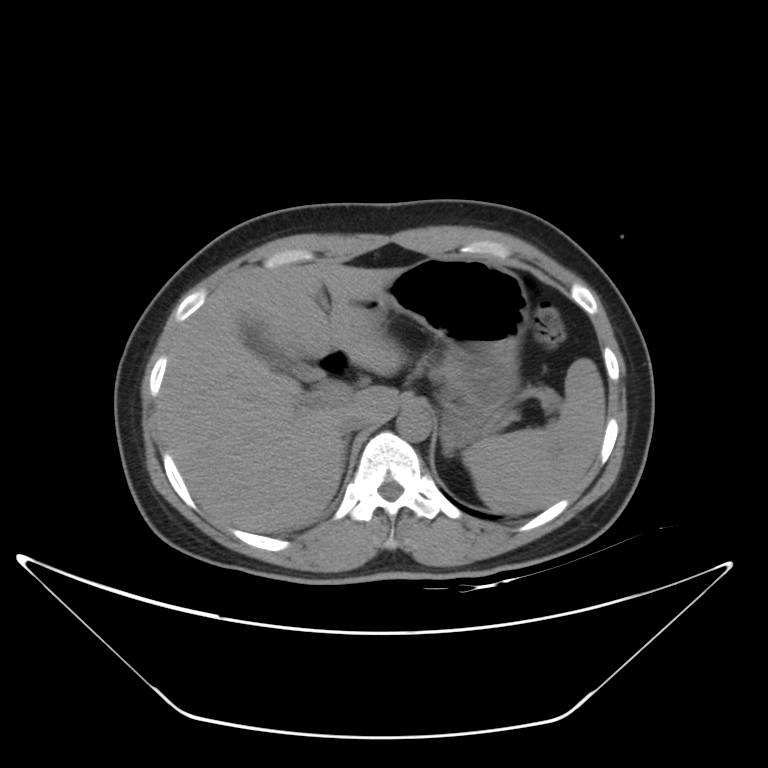

CT abdomen — axial view — 768x768 px — 39-year-old female patient — 15 organs annotated in this scan (counted over the whole 3D scan, not this slice; an organ is boxed only where this slice passes through it)
Bounding boxes as [x1, y1, x2, y2] in pixel coordinates.
spleen: [462, 358, 605, 513]
gall bladder: [239, 316, 320, 382]
liver: [158, 262, 403, 532]
stomach: [353, 256, 528, 450]
aorta: [396, 405, 431, 441]
inferior vena cava: [337, 410, 371, 437]
duodenum: [317, 350, 345, 374]